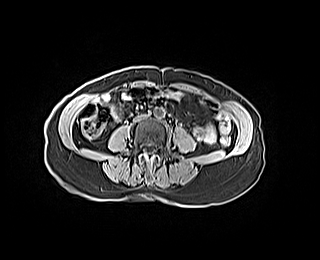

Magnetic resonance imaging, abdomen — axial view — 1st–99th percentile window
Boxes are (x1, y1, x2, y2) in pixels.
inferior vena cava: (135, 115, 143, 120)
aorta: (153, 107, 164, 117)